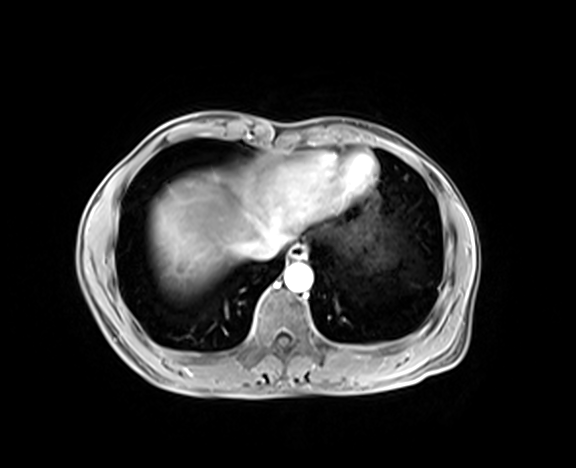

MRI, abdomen; axial view; percentile-normalized
{"organs":{"esophagus":[288,245,306,259],"liver":[149,166,328,290],"aorta":[284,264,312,292],"inferior vena cava":[247,231,284,259]}}